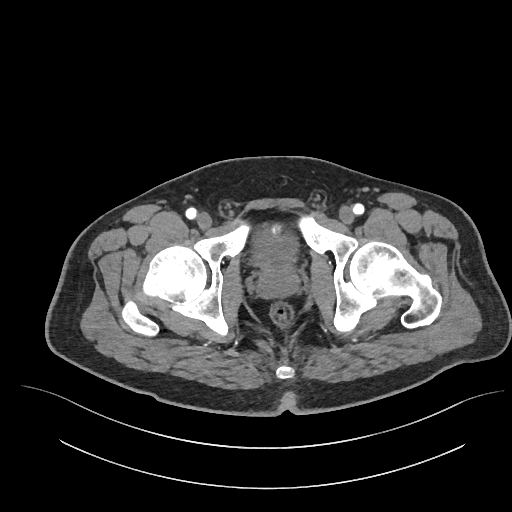
Computed tomography, abdomen · Axial slice 33/333 · abdomen soft-tissue window · 512x512 px
Each box given as x1,y1,x2,y2.
Organ bounding boxes:
- bladder: x1=251, y1=233, x2=297, y2=265
- prostate/uterus: x1=257, y1=262, x2=299, y2=299